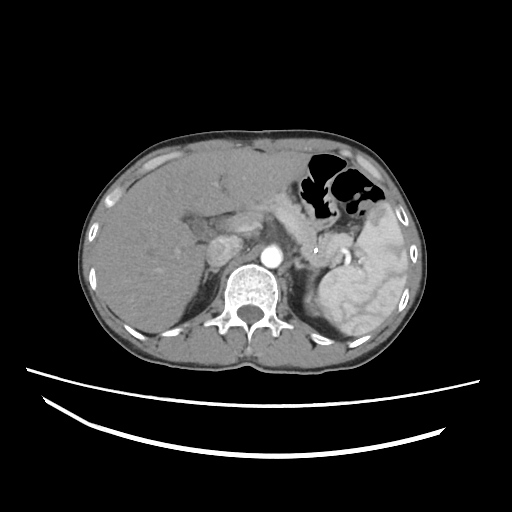
Abdominal CT — axial view — 15 organs annotated in this scan (that count is for the whole scan; organs this slice misses have no box)
Organ boxes in pixel coordinates; each row gives the top-left (x1, y1) and bottom-right (x2, y2) corners.
| organ | x1 | y1 | x2 | y2 |
|---|---|---|---|---|
| liver | 94 | 148 | 310 | 332 |
| inferior vena cava | 206 | 235 | 242 | 266 |
| spleen | 317 | 202 | 408 | 336 |
| left kidney | 305 | 295 | 316 | 314 |
| gall bladder | 189 | 216 | 213 | 239 |
| aorta | 260 | 245 | 282 | 268 |
| right adrenal gland | 203 | 267 | 219 | 282 |
| pancreas | 256 | 192 | 340 | 269 |
| left adrenal gland | 293 | 256 | 311 | 270 |